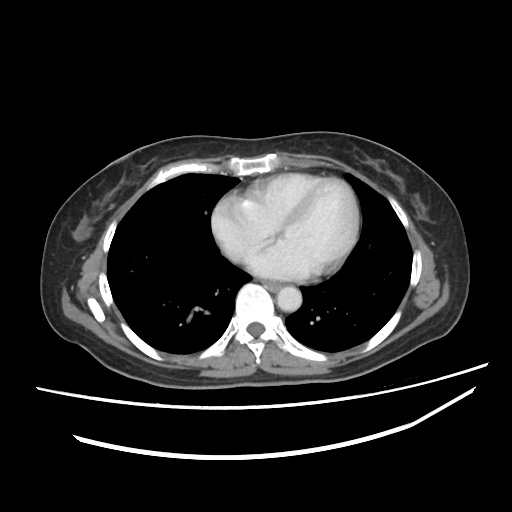

Lower-chest slice from an abdominal CT, just above the liver and spleen; Axial slice 90/118
No part of the heart or lungs is labeled in this dataset, so neither has a box here. Boxes are (x1, y1, x2, y2) in pixels. 2 labeled organs on this slice — esophagus at (264, 282, 280, 290); aorta at (277, 286, 301, 311).